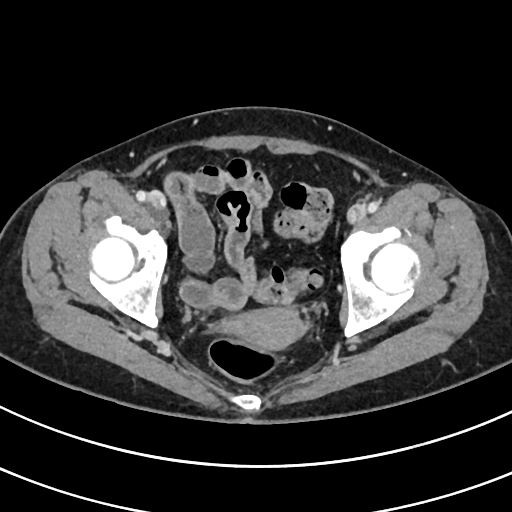
Abdominal CT; axial view; W/L 400/40 HU
<organs><organ name="prostate/uterus" x1="225" y1="307" x2="306" y2="350"/></organs>